Computed tomography, abdomen — axial view — W/L 400/40 HU — 512x512 px — 15 organs annotated in this scan (that count is for the whole scan; organs this slice misses have no box)
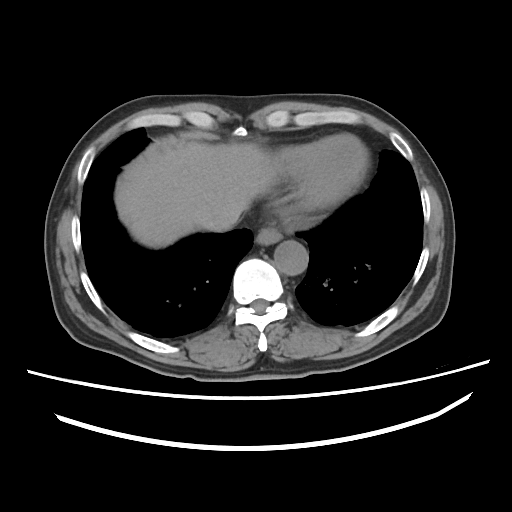

Bounding boxes in pixels, one row per box: x1, y1 is the top-left corner and x2, y2 the bottom-right.
| organ | x1 | y1 | x2 | y2 |
|---|---|---|---|---|
| esophagus | 255 | 228 | 281 | 244 |
| liver | 115 | 142 | 277 | 247 |
| aorta | 274 | 240 | 308 | 275 |
| inferior vena cava | 201 | 216 | 239 | 231 |